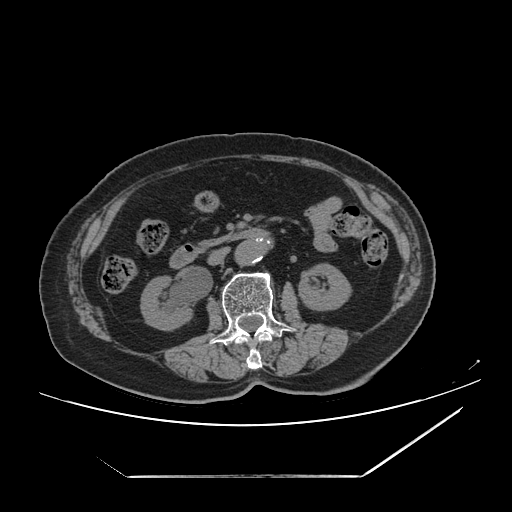
Computed tomography, abdomen · axial plane, index 104 · soft-tissue window (W 400 / L 40)
Box edges are left/top/right/bottom in pixels.
Organ bounding boxes:
- left kidney: left=298, top=263, right=351, bottom=310
- duodenum: left=169, top=228, right=268, bottom=268
- aorta: left=235, top=240, right=270, bottom=265
- inferior vena cava: left=207, top=247, right=230, bottom=265
- pancreas: left=198, top=234, right=228, bottom=250
- right kidney: left=140, top=276, right=192, bottom=330